CT, abdomen/pelvis — axial view — soft-tissue window (W 400 / L 40) — 512x512 px
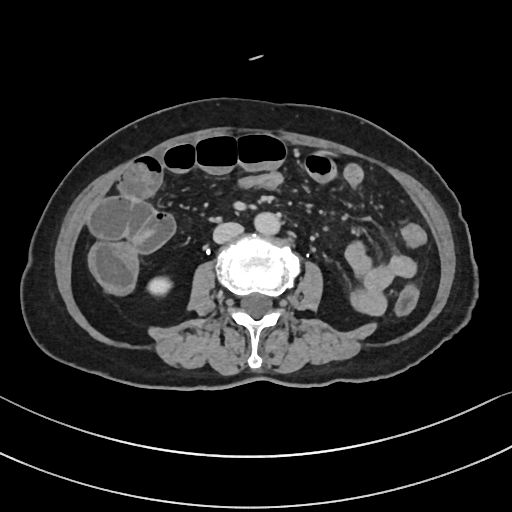
<organs><organ name="right kidney" x1="149" y1="276" x2="172" y2="295"/><organ name="aorta" x1="255" y1="213" x2="281" y2="235"/><organ name="inferior vena cava" x1="213" y1="223" x2="243" y2="243"/></organs>